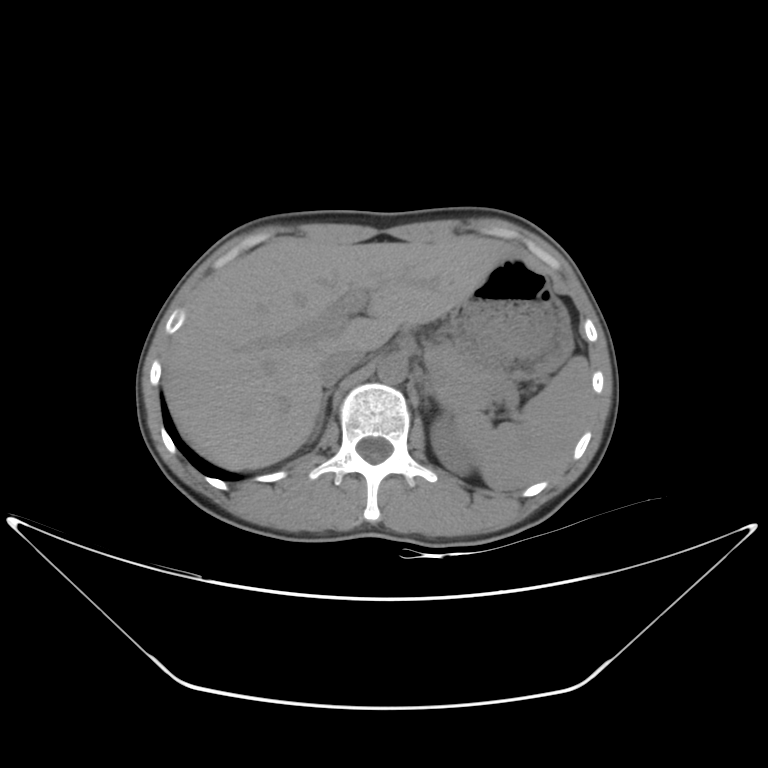
CT abdomen — axial view — W/L 400/40 HU — 768x768 px — 30-year-old male patient — 15 organs annotated in this scan (counted over the whole 3D scan, not this slice; an organ is boxed only where this slice passes through it)
Boxes: x1:y1:x2:y2 in pixels. Labeled organs on this slice: spleen at 454:356:591:490, left kidney at 430:415:476:474, liver at 163:235:522:469, stomach at 450:257:573:379, aorta at 377:357:407:383, inferior vena cava at 316:346:366:384, pancreas at 426:342:491:400, right adrenal gland at 309:390:331:442, left adrenal gland at 423:383:434:410.